CT, abdomen/pelvis; axial view; soft-tissue window; 512x512 px
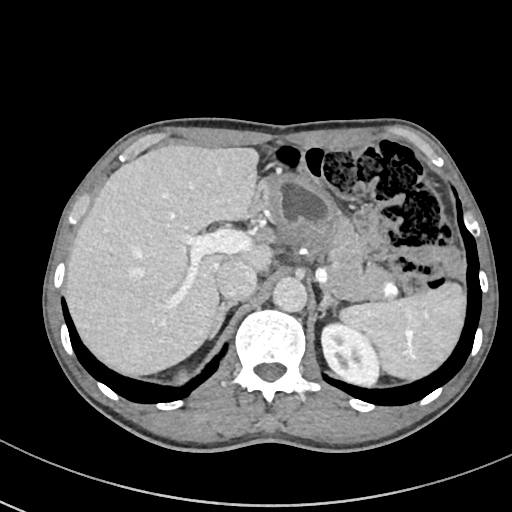 Each box given as x1,y1,x2,y2.
Organ bounding boxes:
- spleen: x1=340, y1=283, x2=465, y2=380
- right kidney: x1=175, y1=372, x2=187, y2=383
- left kidney: x1=321, y1=323, x2=380, y2=386
- liver: x1=65, y1=144, x2=272, y2=376
- stomach: x1=259, y1=174, x2=342, y2=255
- aorta: x1=272, y1=277, x2=306, y2=311
- inferior vena cava: x1=215, y1=258, x2=256, y2=300
- pancreas: x1=329, y1=218, x2=389, y2=301
- right adrenal gland: x1=208, y1=300, x2=237, y2=339
- left adrenal gland: x1=319, y1=286, x2=338, y2=316
- duodenum: x1=249, y1=183, x2=267, y2=219